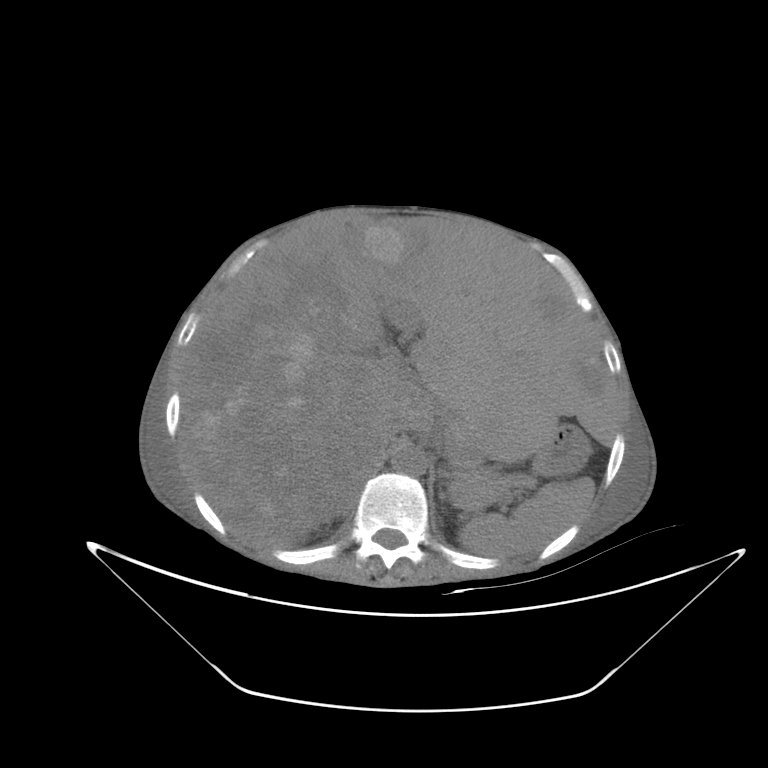 CT abdomen. axial view. soft-tissue window. 768x768 px. 56-year-old male patient
Boxes: x1:y1:x2:y2 in pixels.
Organ bounding boxes:
- stomach: 537:429:586:474
- liver: 181:211:620:545
- aorta: 391:445:427:475
- pancreas: 449:466:499:507
- inferior vena cava: 374:420:402:451
- spleen: 458:477:594:555